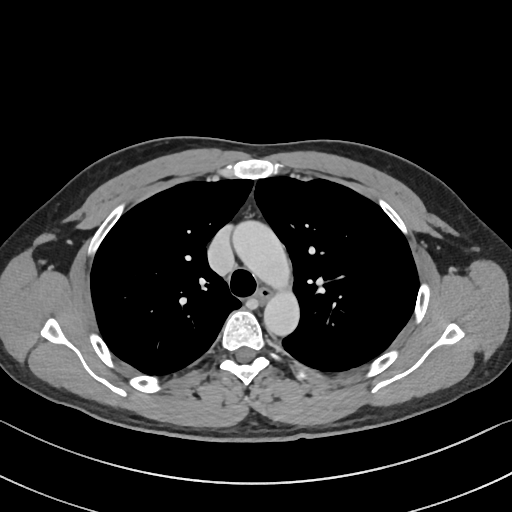

CT of the abdomen extending into the chest, slice through the chest · Axial slice 247/291 · 512x512 px
On a slice this high in the chest, this dataset labels only the esophagus and the aorta, and each is boxed only where it is labeled; the heart, lungs and other chest structures are not labeled.
Each box given as x1,y1,x2,y2.
esophagus: x1=256, y1=289, x2=270, y2=302
aorta: x1=233, y1=221, x2=299, y2=334